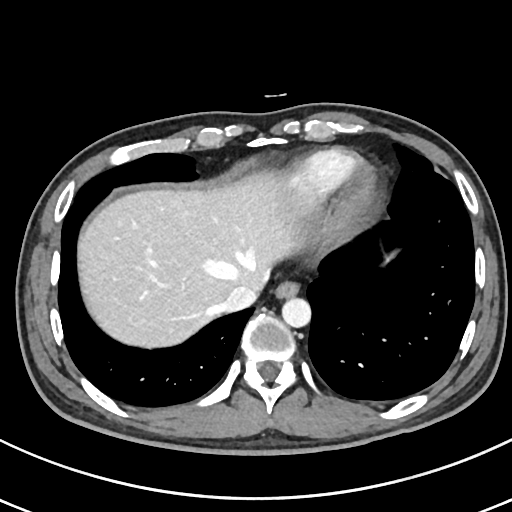

CT, abdomen/pelvis; axial view; W/L 400/40 HU; 15 organs annotated in this scan (counted over the whole 3D scan, not this slice; an organ is boxed only where this slice passes through it)
Box edges are left/top/right/bottom in pixels. 4 labeled organs on this slice — esophagus at left=275, top=281, right=299, bottom=298; liver at left=78, top=169, right=310, bottom=347; aorta at left=281, top=297, right=311, bottom=327; inferior vena cava at left=221, top=284, right=257, bottom=311.